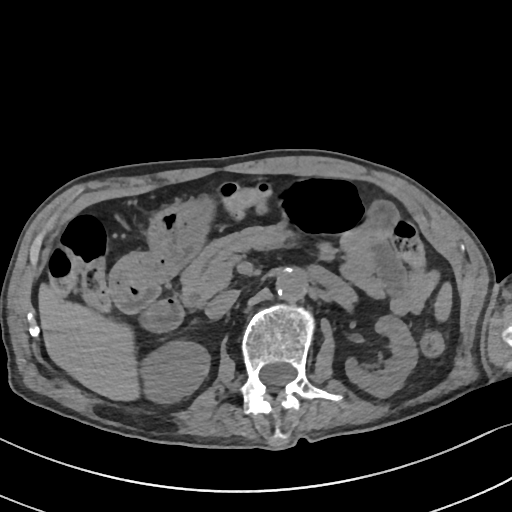

CT abdomen. axial plane, index 135. W/L 400/40 HU. 15 organs annotated in this scan (a whole-scan count: organs this slice does not pass through have no box)
Bounding boxes as [x1, y1, x2, y2] in pixel coordinates.
Organ bounding boxes:
- spleen: [435, 282, 451, 320]
- right kidney: [143, 342, 208, 402]
- left kidney: [345, 315, 417, 397]
- liver: [38, 282, 138, 402]
- stomach: [108, 197, 210, 300]
- aorta: [275, 269, 307, 302]
- inferior vena cava: [204, 290, 238, 319]
- pancreas: [182, 224, 337, 306]
- duodenum: [116, 285, 184, 331]